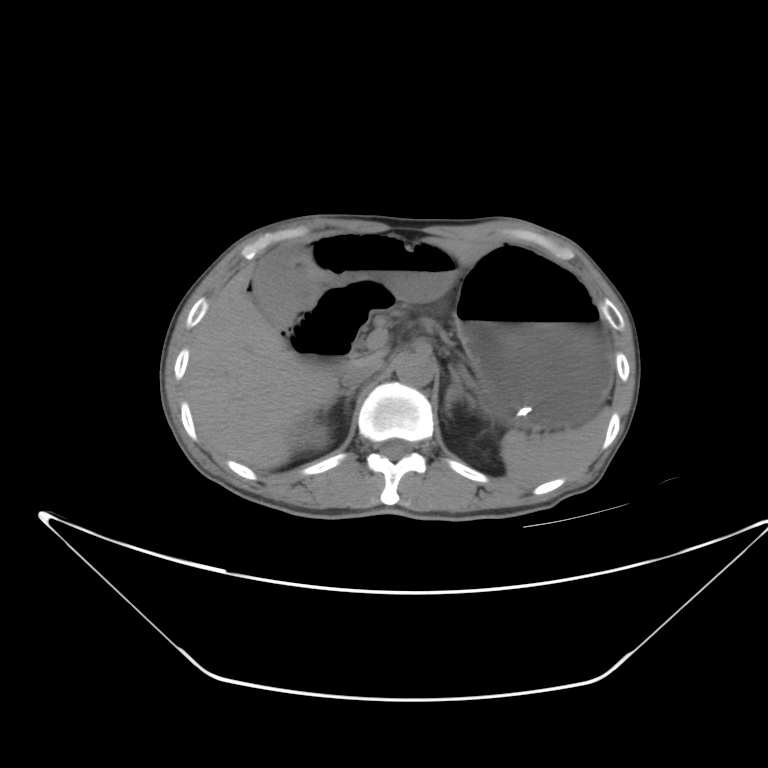
Abdominal CT. axial view. soft-tissue window. 51-year-old male patient
Box edges are left/top/right/bottom in pixels.
spleen: left=502, top=405, right=612, bottom=483
right kidney: left=287, top=424, right=327, bottom=446
gall bladder: left=251, top=243, right=312, bottom=325
liver: left=187, top=237, right=493, bottom=469
stomach: left=449, top=242, right=616, bottom=429
aorta: left=394, top=353, right=432, bottom=384
inferior vena cava: left=342, top=358, right=378, bottom=389
right adrenal gland: left=323, top=387, right=356, bottom=410
left adrenal gland: left=444, top=371, right=476, bottom=413
duodenum: left=289, top=281, right=397, bottom=375